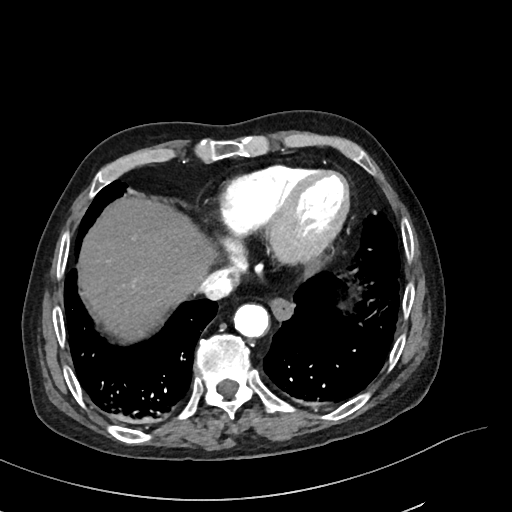

CT abdomen. axial view. W/L 400/40 HU. SOMATOM Force scanner
Coordinates as <box>x1,y1,x2,y2</box> in pixels.
esophagus: <box>271,299,292,319</box>
liver: <box>81,198,214,336</box>
aorta: <box>233,304,269,338</box>
inferior vena cava: <box>197,267,239,300</box>